CT, abdomen/pelvis — axial plane, index 158 — 512x512 px — SOMATOM Force scanner
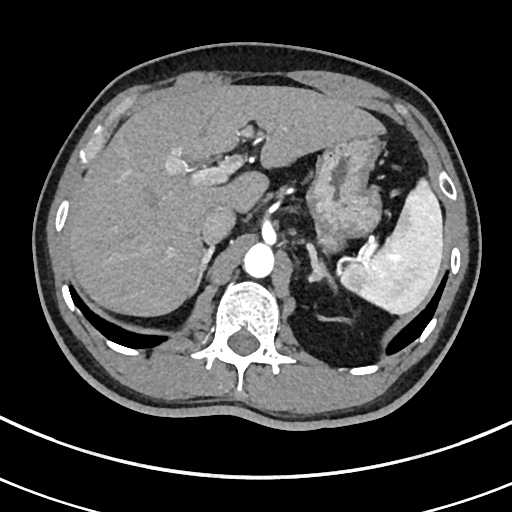

{"organs":{"spleen":[340,179,443,314],"liver":[65,84,385,316],"stomach":[307,136,382,251],"aorta":[243,243,274,277],"inferior vena cava":[201,206,235,244],"right adrenal gland":[193,246,214,293],"left adrenal gland":[307,246,334,286]}}